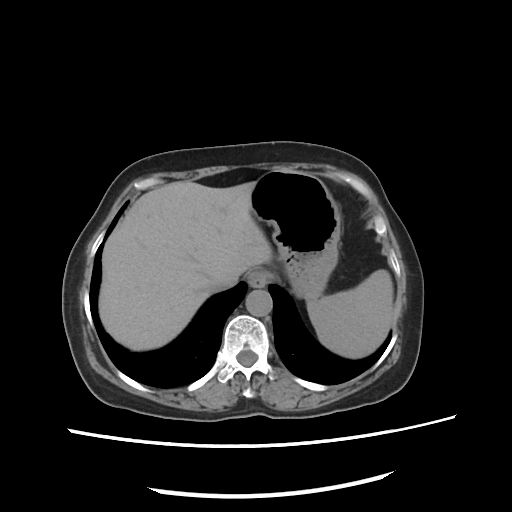
Computed tomography, abdomen — axial view — W/L 400/40 HU — 512x512 px
Each box given as x1,y1,x2,y2. The annotated organs in this slice are: esophagus at x1=247, y1=269, x2=269, y2=289, spleen at x1=306, y1=271, x2=393, y2=358, aorta at x1=245, y1=288, x2=271, y2=316, inferior vena cava at x1=202, y1=275, x2=240, y2=293, stomach at x1=251, y1=171, x2=340, y2=299, liver at x1=99, y1=181, x2=273, y2=350.